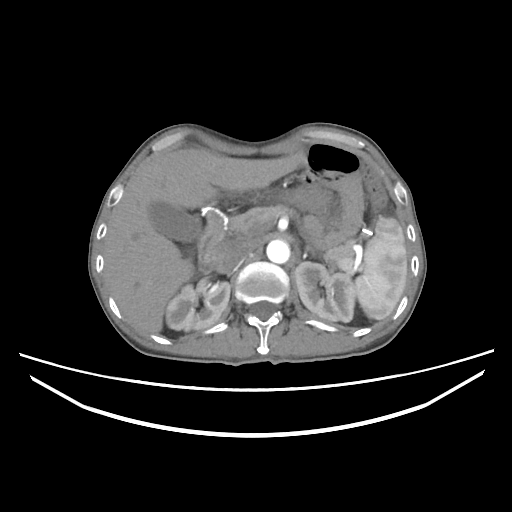

CT, abdomen/pelvis. axial view. soft-tissue window (W 400 / L 40). 50-year-old male patient
Each box given as x1,y1,x2,y2.
Organ bounding boxes:
- spleen: x1=353, y1=217, x2=407, y2=320
- right kidney: x1=166, y1=282, x2=230, y2=330
- left kidney: x1=294, y1=261, x2=355, y2=322
- gall bladder: x1=148, y1=201, x2=202, y2=242
- liver: x1=103, y1=148, x2=307, y2=334
- aorta: x1=266, y1=239, x2=290, y2=263
- inferior vena cava: x1=214, y1=239, x2=247, y2=273
- pancreas: x1=228, y1=204, x2=352, y2=264
- left adrenal gland: x1=303, y1=245, x2=314, y2=257
- duodenum: x1=197, y1=213, x2=225, y2=274